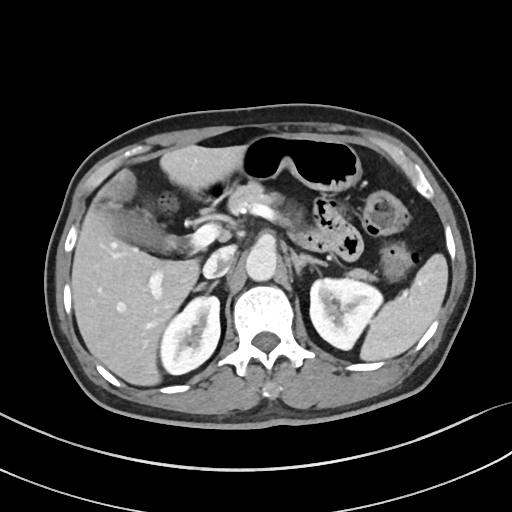
Abdominal CT. axial view. soft-tissue window. SOMATOM Force scanner. 15 organs annotated in this scan (that count is for the whole scan; organs this slice misses have no box)
Each box given as x1,y1,x2,y2.
spleen: x1=360, y1=253, x2=448, y2=361
right kidney: x1=160, y1=296, x2=220, y2=374
left kidney: x1=310, y1=278, x2=382, y2=349
gall bladder: x1=100, y1=176, x2=179, y2=251
liver: x1=71, y1=145, x2=244, y2=386
stomach: x1=224, y1=134, x2=361, y2=191
aorta: x1=245, y1=245, x2=276, y2=281
inferior vena cava: x1=203, y1=247, x2=234, y2=278
pancreas: x1=228, y1=181, x2=375, y2=280
right adrenal gland: x1=195, y1=282, x2=206, y2=290
left adrenal gland: x1=291, y1=251, x2=328, y2=273
duodenum: x1=196, y1=180, x2=228, y2=203